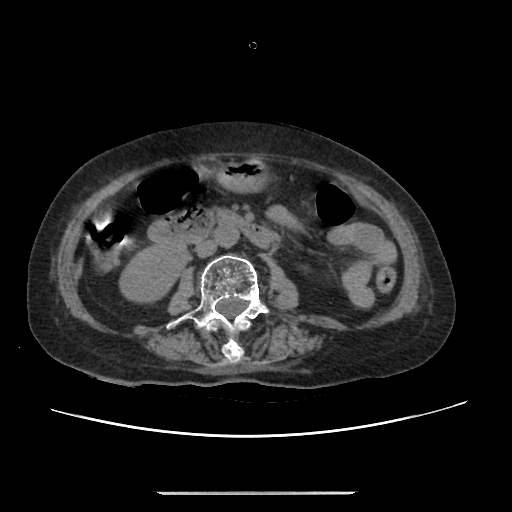 Abdominal CT; axial plane, index 196
<organs><organ name="right kidney" x1="121" y1="243" x2="187" y2="300"/><organ name="stomach" x1="218" y1="161" x2="264" y2="189"/><organ name="aorta" x1="215" y1="224" x2="239" y2="247"/><organ name="inferior vena cava" x1="196" y1="240" x2="217" y2="257"/><organ name="duodenum" x1="149" y1="208" x2="275" y2="247"/></organs>